Computed tomography, abdomen. axial view
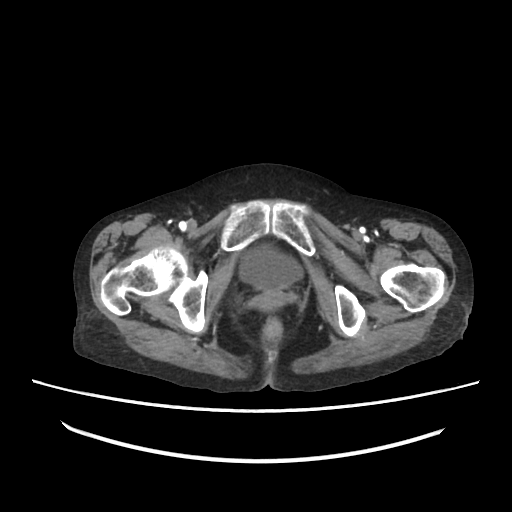

Boxes: x1 y1 x2 y2 (pixel coords, space-separated). 1 labeled organ on this slice — bladder at 239 246 301 290.